Abdominal CT — axial view — 512x512 px — 15 organs annotated in this scan (that count is for the whole scan; organs this slice misses have no box)
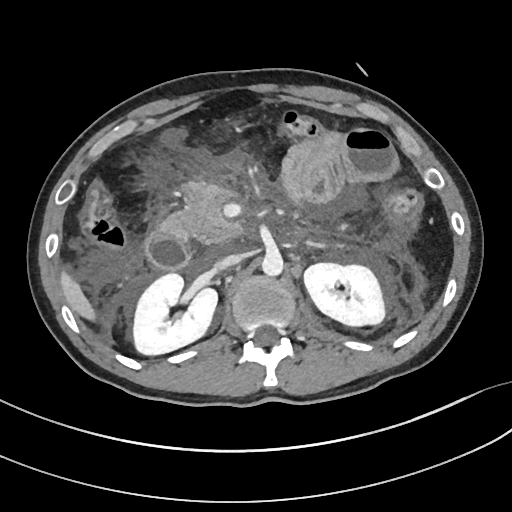
Boxes: x1:y1:x2:y2 in pixels. 8 labeled organs on this slice — right kidney at 133:273:217:354; left kidney at 304:263:385:326; liver at 59:270:96:320; aorta at 262:252:283:276; inferior vena cava at 213:254:243:271; pancreas at 162:183:241:243; left adrenal gland at 306:240:328:248; duodenum at 146:228:190:269.